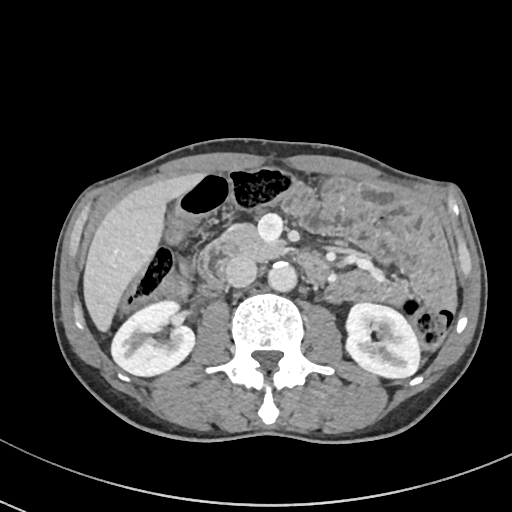 CT, abdomen/pelvis · axial view · soft-tissue window
{"organs":{"right kidney":[110,299,194,375],"left kidney":[344,302,418,377],"liver":[85,174,200,328],"aorta":[267,260,296,291],"inferior vena cava":[225,255,257,287],"pancreas":[219,224,279,262],"duodenum":[200,241,327,286]}}